CT abdomen. axial plane, index 15. soft-tissue window (W 400 / L 40). 15 organs annotated in this scan (counted over the whole 3D scan, not this slice; an organ is boxed only where this slice passes through it)
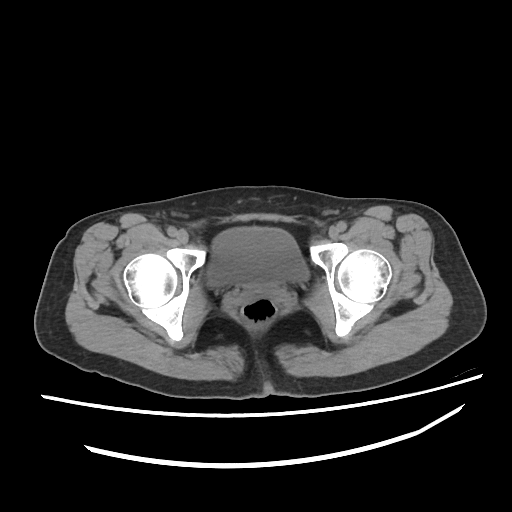 <organs><organ name="bladder" x1="205" y1="226" x2="308" y2="290"/></organs>